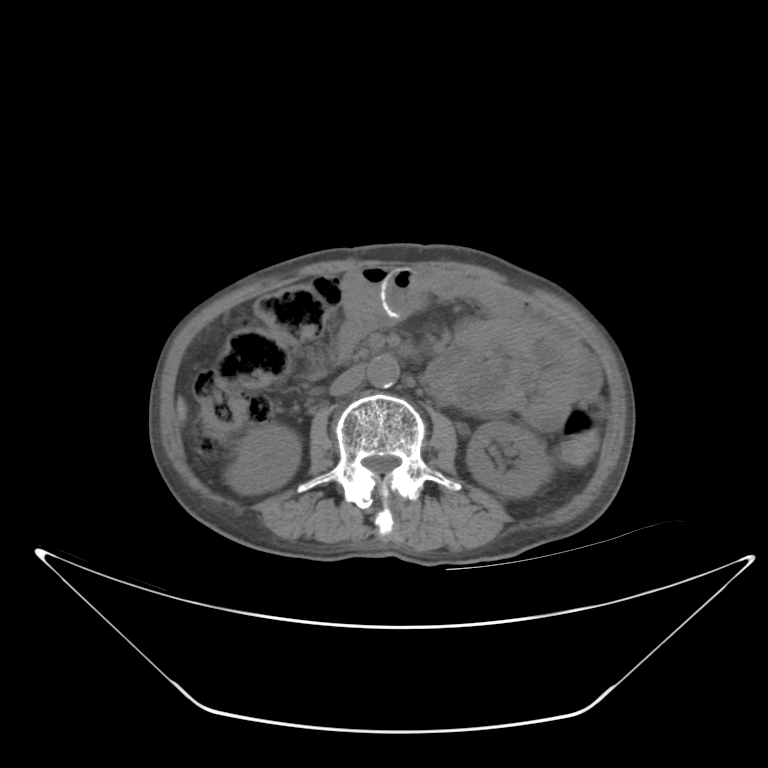
CT abdomen — Axial slice 58/95 — soft-tissue window (W 400 / L 40) — 68-year-old male patient
One row per box, in pixels: columns x1 and y1 give the top-left corner, x2 and y2 the bottom-right.
| organ | x1 | y1 | x2 | y2 |
|---|---|---|---|---|
| aorta | 367 | 355 | 399 | 387 |
| left kidney | 467 | 422 | 551 | 495 |
| liver | 176 | 399 | 184 | 421 |
| inferior vena cava | 330 | 364 | 365 | 395 |
| right kidney | 231 | 425 | 299 | 491 |